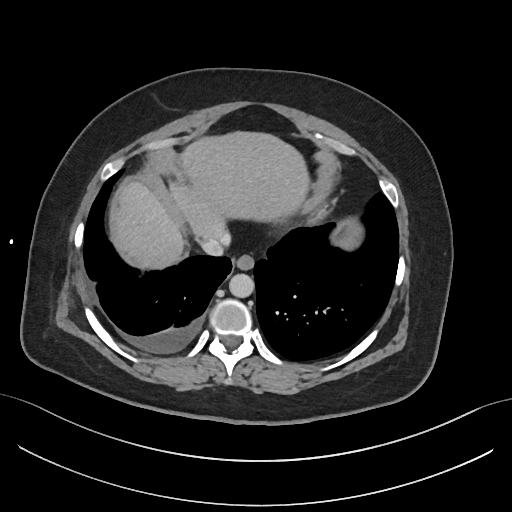 CT, abdomen/pelvis. axial view. soft-tissue window
Boxes: x1 y1 x2 y2 (pixel coords, space-separated).
esophagus: 235 255 254 270
liver: 113 131 308 269
aorta: 229 274 254 297
inferior vena cava: 200 235 229 256